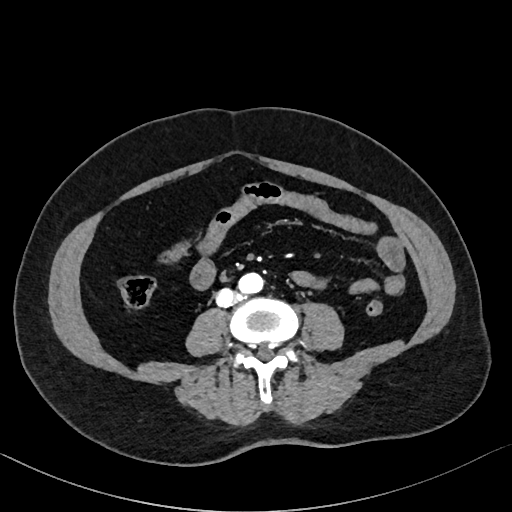

Computed tomography, abdomen; axial view; soft-tissue window (W 400 / L 40); 512x512 px
Boxes: x1 y1 x2 y2 (pixel coords, space-separated).
Organ bounding boxes:
- aorta: 238 271 263 293
- inferior vena cava: 216 288 238 307